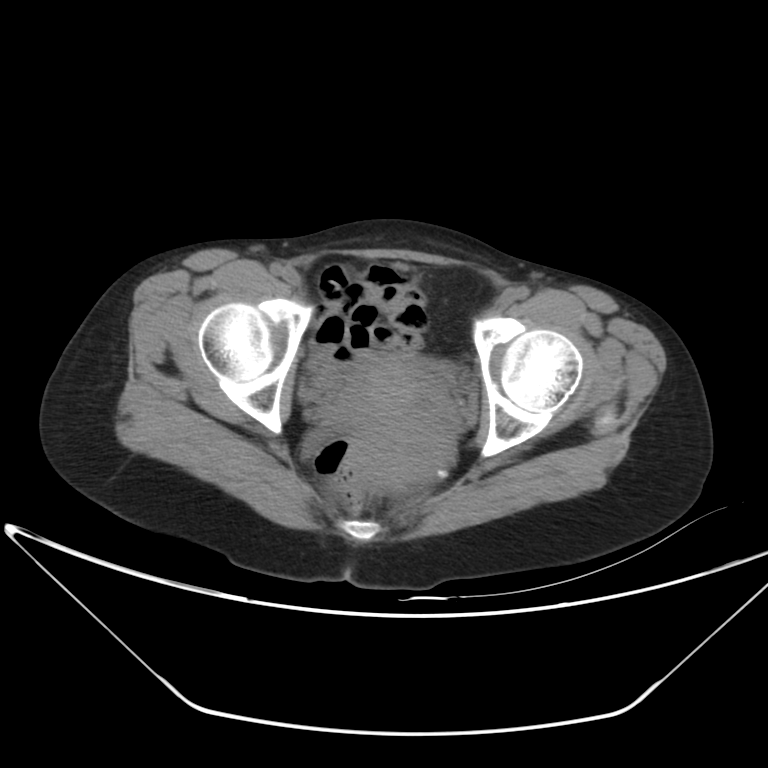
CT, abdomen/pelvis · axial view · abdomen soft-tissue window · 28-year-old female patient
Organ boxes in pixel coordinates; each row gives the top-left (x1, y1) and bottom-right (x2, y2) corners.
| organ | x1 | y1 | x2 | y2 |
|---|---|---|---|---|
| bladder | 360 | 356 | 451 | 375 |
| prostate/uterus | 336 | 365 | 460 | 488 |